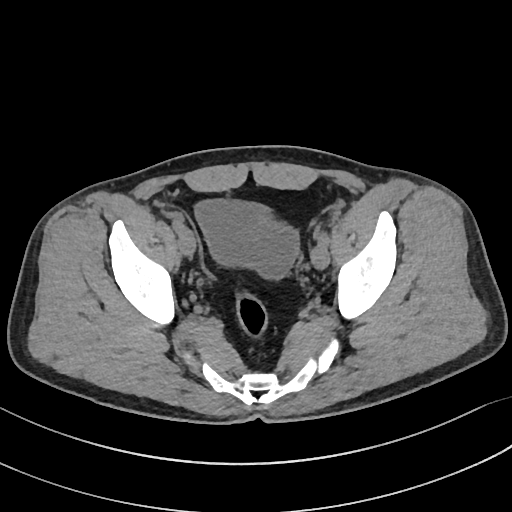

Abdominal CT; axial view
Bounding boxes as [x1, y1, x2, y2] in pixel coordinates.
bladder: [195, 199, 298, 278]